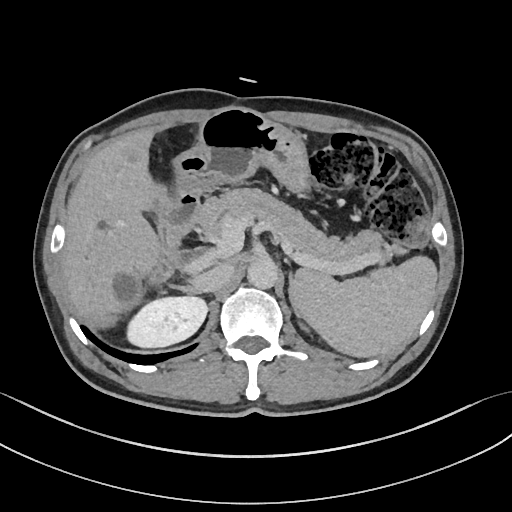
CT abdomen — axial view — SOMATOM Force scanner
Bounding boxes in pixels, one row per box: x1, y1 is the top-left corner and x2, y2 the bottom-right.
| organ | x1 | y1 | x2 | y2 |
|---|---|---|---|---|
| inferior vena cava | 191 | 264 | 233 | 292 |
| liver | 60 | 127 | 370 | 357 |
| duodenum | 148 | 195 | 200 | 282 |
| pancreas | 197 | 188 | 389 | 260 |
| left adrenal gland | 288 | 275 | 300 | 315 |
| aorta | 247 | 258 | 278 | 289 |
| stomach | 174 | 107 | 310 | 195 |
| right adrenal gland | 168 | 284 | 198 | 294 |
| spleen | 294 | 255 | 437 | 357 |
| right kidney | 126 | 297 | 206 | 346 |